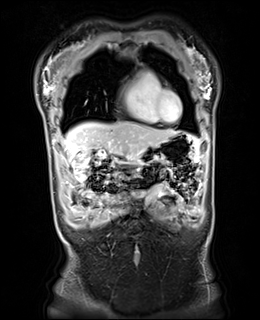

Abdominal MRI · coronal view · 1st–99th percentile window · acquired on Prisma
Boxes: x1:y1:x2:y2 in pixels.
liver: 64:122:178:157
stomach: 115:134:201:165
duodenum: 113:154:120:159